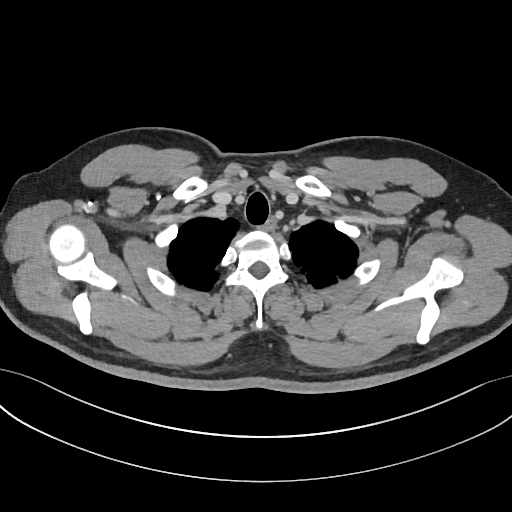
Chest-level slice from an abdominal CT that extends up into the chest. axial plane, index 332
On a slice this high in the chest, this dataset labels only the esophagus and the aorta, and each is boxed only where it is labeled; the heart, lungs and other chest structures are not labeled.
Bounding boxes as [x1, y1, x2, y2] in pixel coordinates.
esophagus: [264, 218, 275, 230]